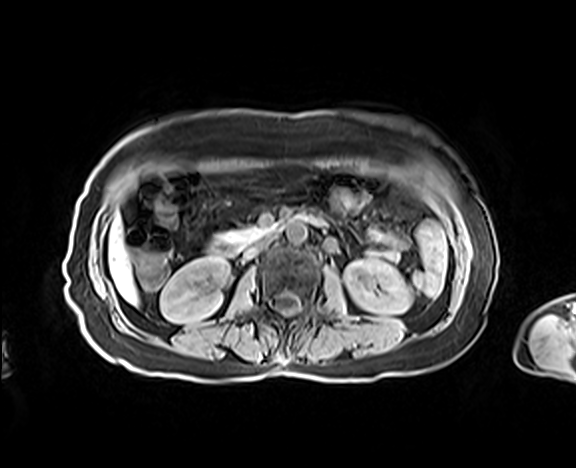
Abdominal MRI — axial plane, index 18 — acquired on Prisma
{"organs":{"right kidney":[160,257,229,322],"left kidney":[344,259,411,314],"liver":[108,216,137,304],"aorta":[286,220,307,243],"inferior vena cava":[244,236,273,258],"pancreas":[216,226,264,243],"duodenum":[208,209,319,257]}}